Chest-level CT slice, above the liver and spleen · axial view
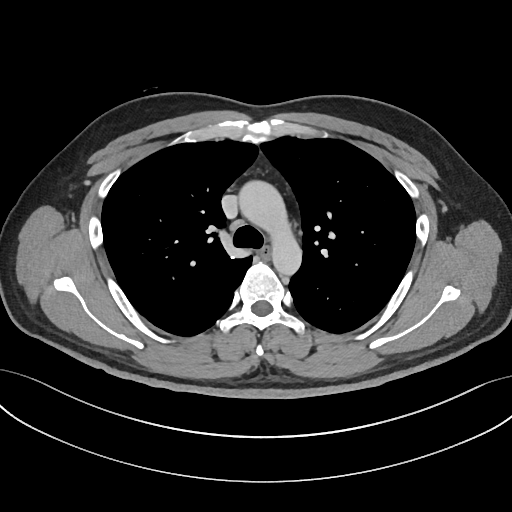 At this level of the chest this dataset labels only the esophagus and the aorta, and each is boxed only where it is labeled; the heart and lungs are never labeled.
<organs><organ name="aorta" x1="240" y1="181" x2="301" y2="273"/><organ name="esophagus" x1="258" y1="246" x2="270" y2="258"/></organs>